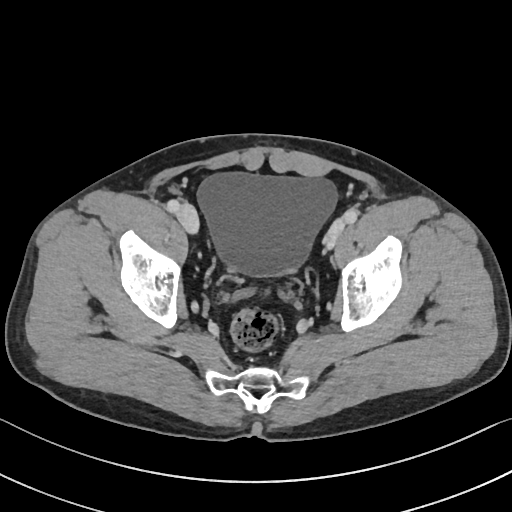 Computed tomography, abdomen · axial view
Bounding boxes as [x1, y1, x2, y2] in pixel coordinates. The annotated organs in this slice are: bladder at [197, 171, 337, 276].